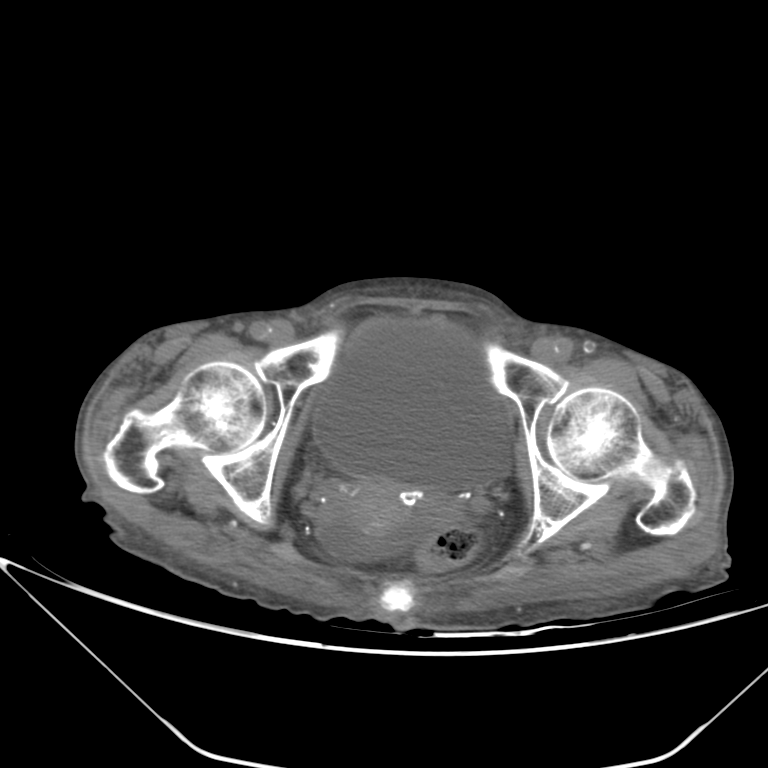
Abdominal CT; Axial slice 16/88; abdomen soft-tissue window; Brilliance16 scanner
{"organs":{"bladder":[313,318,510,491],"prostate/uterus":[341,478,424,541]}}